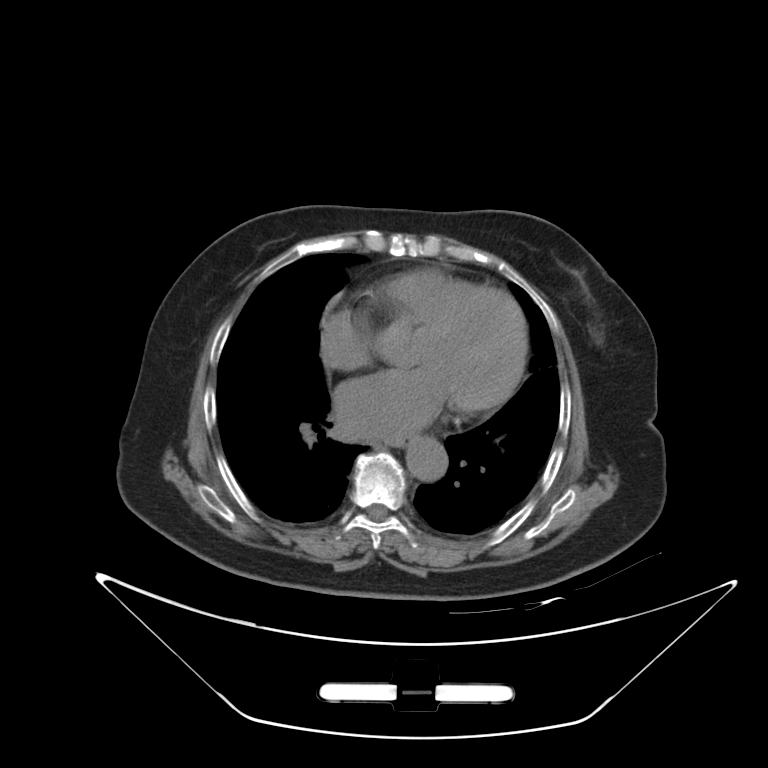

CT of the abdomen reaching into the lower chest, slice just above the liver and spleen; axial view; soft-tissue window (W 400 / L 40); 768x768 px; acquired on Brilliance16; 15 organs annotated in this scan (a whole-scan count: organs this slice does not pass through have no box)
No part of the heart or lungs is labeled in this dataset, so neither has a box here.
<organs><organ name="esophagus" x1="385" y1="434" x2="410" y2="445"/><organ name="aorta" x1="406" y1="437" x2="448" y2="482"/></organs>